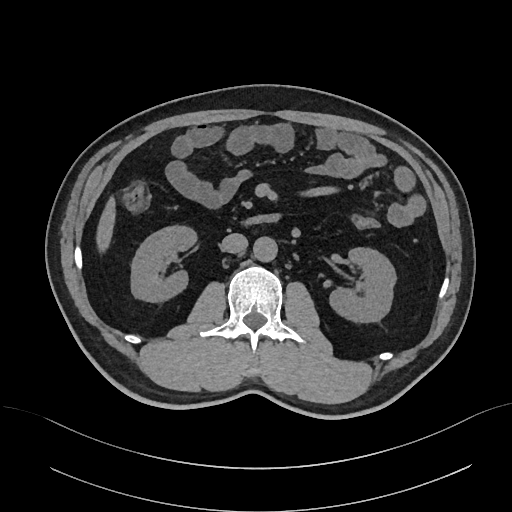 CT, abdomen/pelvis. axial view. 512x512 px. scan has 15 labeled organs (counted over the whole 3D scan, not this slice; an organ is boxed only where this slice passes through it)
<organs><organ name="right kidney" x1="131" y1="227" x2="194" y2="302"/><organ name="left kidney" x1="328" y1="248" x2="395" y2="323"/><organ name="liver" x1="95" y1="198" x2="115" y2="250"/><organ name="aorta" x1="253" y1="237" x2="277" y2="262"/><organ name="inferior vena cava" x1="222" y1="233" x2="247" y2="253"/><organ name="duodenum" x1="242" y1="213" x2="281" y2="225"/></organs>